Abdominal CT; axial plane, index 153; SOMATOM Force scanner
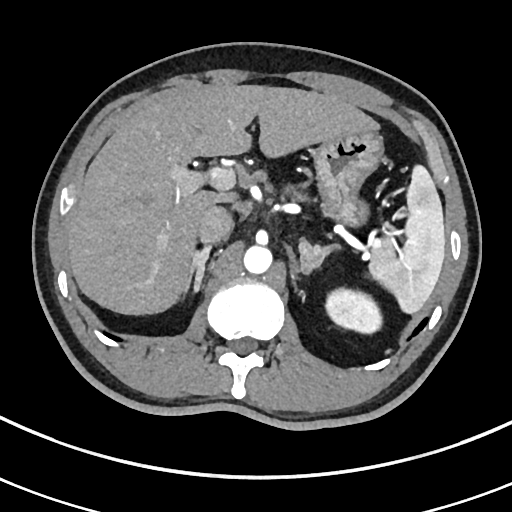

{"organs":{"liver":[66,84,379,315],"inferior vena cava":[197,206,233,244],"left kidney":[325,288,382,333],"right adrenal gland":[186,246,210,292],"stomach":[313,132,383,226],"aorta":[243,245,272,273],"pancreas":[289,188,394,259],"left adrenal gland":[299,240,338,273],"spleen":[369,165,445,313]}}